Chest-level CT slice, above the liver and spleen; axial view; 512x512 px
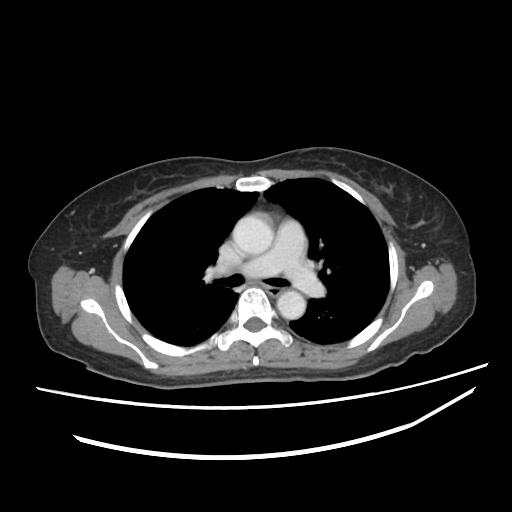

On a slice this high in the chest, this dataset labels only the esophagus and the aorta, and each is boxed only where it is labeled; the heart, lungs and other chest structures are not labeled.
Organ boxes in pixel coordinates; each row gives the top-left (x1, y1) and bottom-right (x2, y2) corners.
| organ | x1 | y1 | x2 | y2 |
|---|---|---|---|---|
| esophagus | 266 | 288 | 281 | 295 |
| aorta | 232 | 213 | 273 | 254 |
| aorta | 277 | 290 | 305 | 319 |